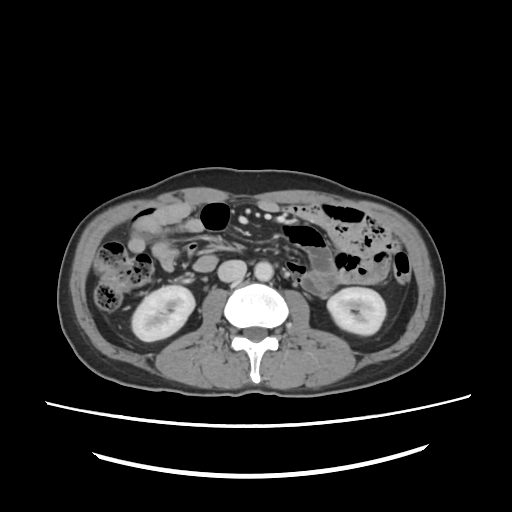

CT, abdomen/pelvis · axial plane, index 56 · 512x512 px · 45-year-old male patient
One row per box, in pixels: columns x1 and y1 give the top-left corner, x2 and y2 the bottom-right.
| organ | x1 | y1 | x2 | y2 |
|---|---|---|---|---|
| inferior vena cava | 218 | 260 | 246 | 281 |
| left kidney | 326 | 288 | 385 | 335 |
| aorta | 253 | 261 | 273 | 281 |
| right kidney | 131 | 285 | 192 | 341 |